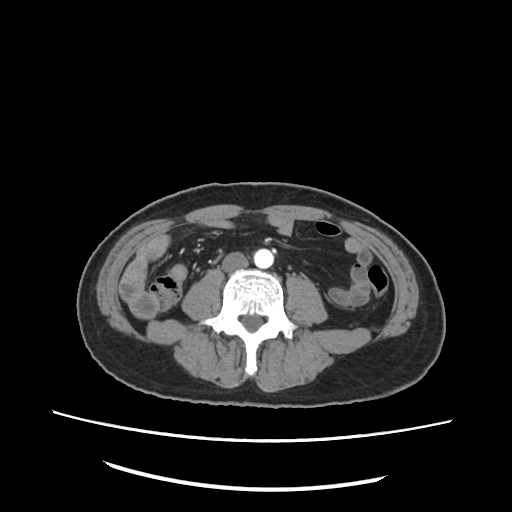

Abdominal CT. Axial slice 50/98. soft-tissue window (W 400 / L 40). 512x512 px. 15 organs annotated in this scan (counted over the whole 3D scan, not this slice; an organ is boxed only where this slice passes through it)
Boxes are (x1, y1, x2, y2) in pixels. The annotated organs in this slice are: aorta at (254, 248, 274, 268), inferior vena cava at (222, 250, 248, 272).